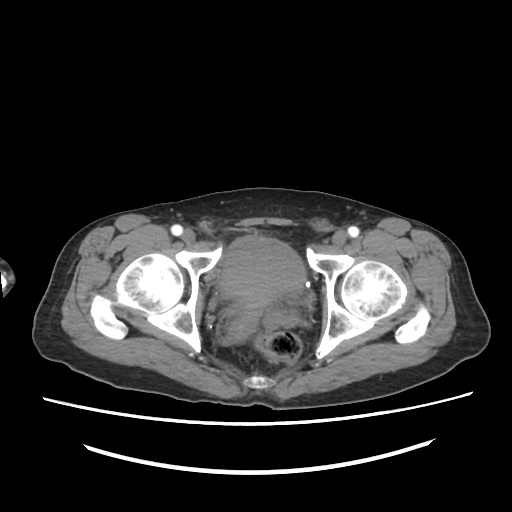
Computed tomography, abdomen — axial view — abdomen soft-tissue window — 512x512 px — acquired on Aquilion ONE
Bounding boxes as [x1, y1, x2, y2] in pixel coordinates. Labeled organs on this slice: bladder at [218, 237, 304, 298].